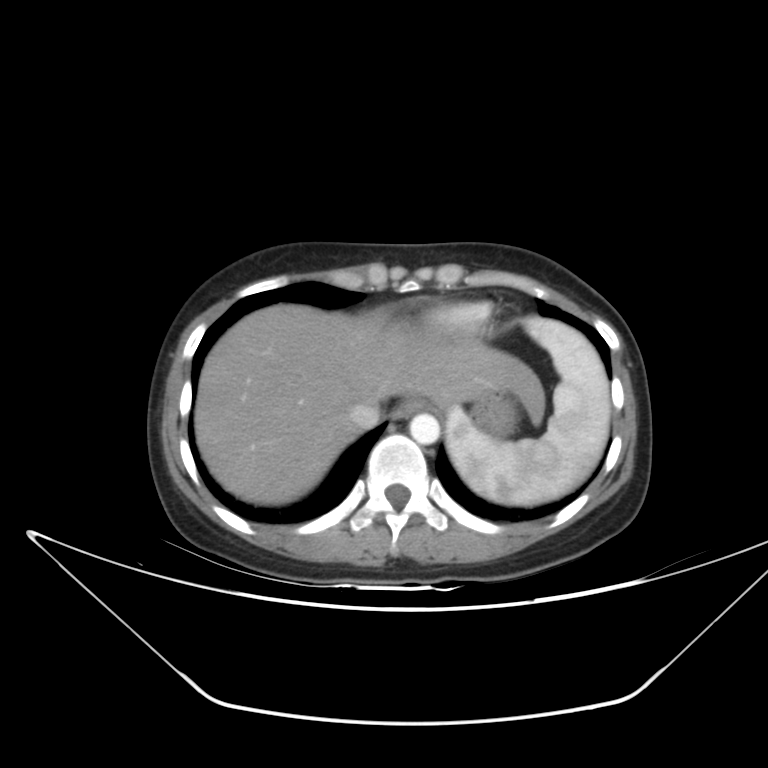
CT abdomen; axial view; W/L 400/40 HU
{"organs":{"spleen":[446,317,610,506],"esophagus":[393,400,427,419],"liver":[194,304,544,504],"stomach":[471,391,516,437],"aorta":[409,413,439,444],"inferior vena cava":[345,401,380,431]}}